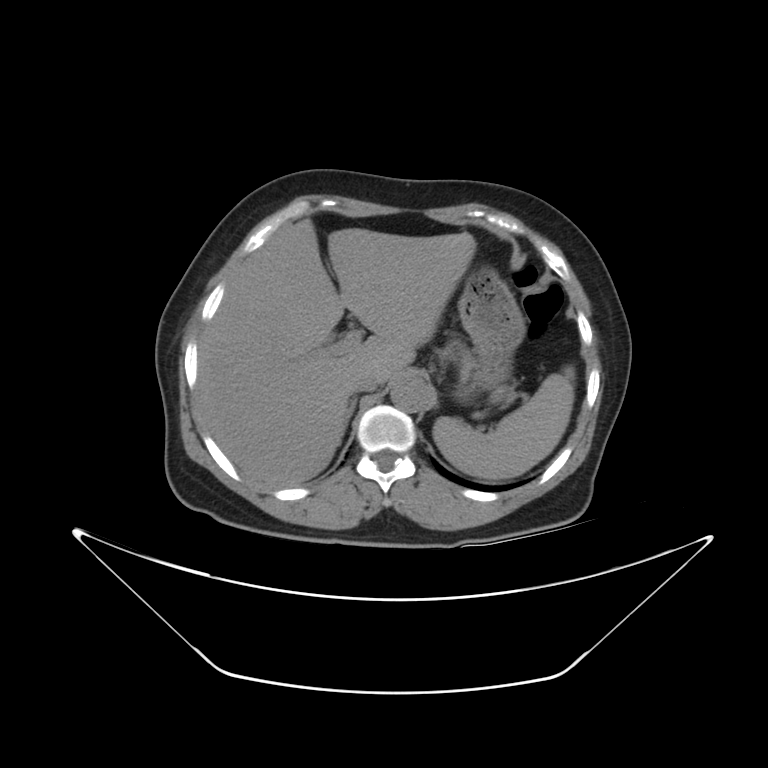

CT, abdomen/pelvis; axial view
Boxes: x1:y1:x2:y2 in pixels. The annotated organs in this slice are: spleen at 432:368:577:480, liver at 195:218:475:484, stomach at 456:267:521:399, aorta at 387:374:428:410, inferior vena cava at 353:372:378:391, right adrenal gland at 345:398:355:429.